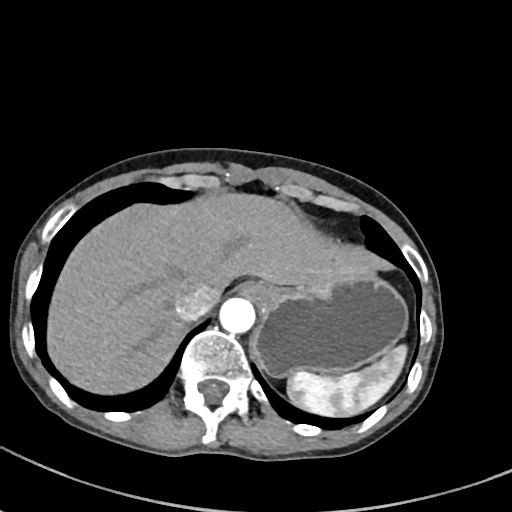 CT abdomen. axial plane, index 187. scan has 15 labeled organs (that count is for the whole scan; organs this slice misses have no box)
Box edges are left/top/right/bottom in pixels. The annotated organs in this slice are: spleen at left=287, top=343, right=406, bottom=417, esophagus at left=239, top=282, right=272, bottom=304, liver at left=49, top=194, right=395, bottom=393, stomach at left=251, top=274, right=407, bottom=376, aorta at left=219, top=297, right=255, bottom=333, inferior vena cava at left=177, top=283, right=220, bottom=319.